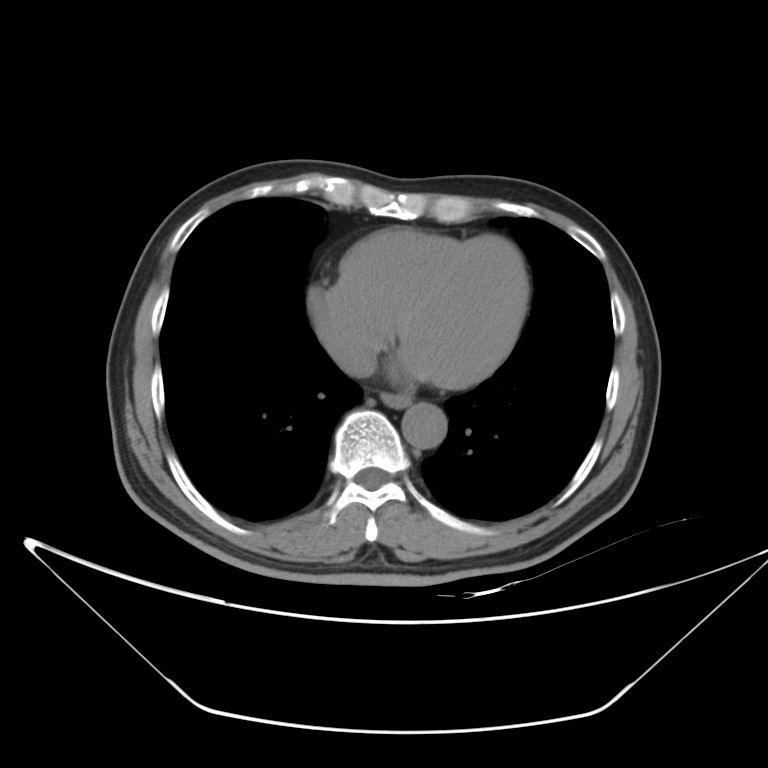

Lower-chest slice from an abdominal CT, just above the liver and spleen — axial view — W/L 400/40 HU — 768x768 px
No part of the heart or lungs is labeled in this dataset, so neither has a box here. Boxes: x1:y1:x2:y2 in pixels. The annotated organs in this slice are: esophagus at 380:393:411:407, aorta at 401:402:447:448, inferior vena cava at 333:341:376:377.